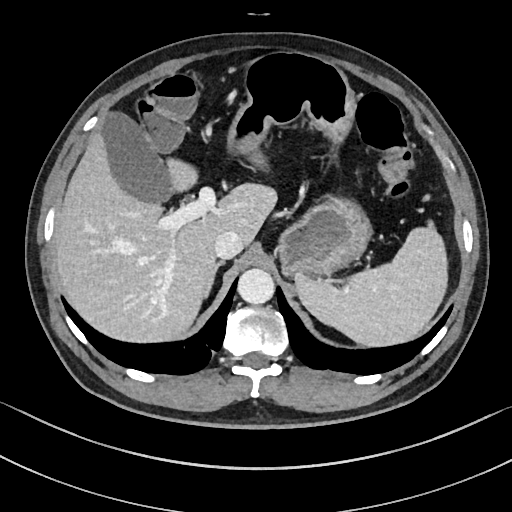 CT, abdomen/pelvis; axial view; soft-tissue window
Coordinates as <box>x1,y1,x2,y2</box> in pixels. The annotated organs in this slice are: spleen at <box>295,223,448,344</box>, gall bladder at <box>102,114,168,201</box>, liver at <box>53,129,276,340</box>, stomach at <box>230,53,373,279</box>, aorta at <box>237,268,274,305</box>, inferior vena cava at <box>214,231,243,259</box>, right adrenal gland at <box>204,260,227,299</box>.